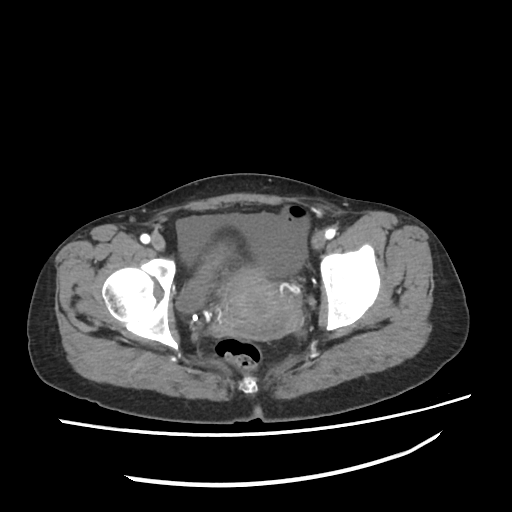
Computed tomography, abdomen. axial view. soft-tissue window. Aquilion ONE scanner. scan has 15 labeled organs (a whole-scan count: organs this slice does not pass through have no box)
Coordinates as <box>x1,y1,x2,y2</box> in pixels.
bladder: <box>176,242,231,314</box>
prostate/uterus: <box>217,271,301,339</box>